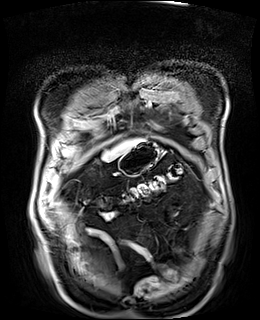

Abdominal MRI · coronal view · acquired on Prisma · scan has 13 labeled organs (that count is for the whole scan; organs this slice misses have no box)
One row per box, in pixels: columns x1 and y1 give the top-left corner, x2 and y2 the bottom-right.
| organ | x1 | y1 | x2 | y2 |
|---|---|---|---|---|
| stomach | 119 | 141 | 159 | 176 |
| liver | 103 | 139 | 142 | 161 |